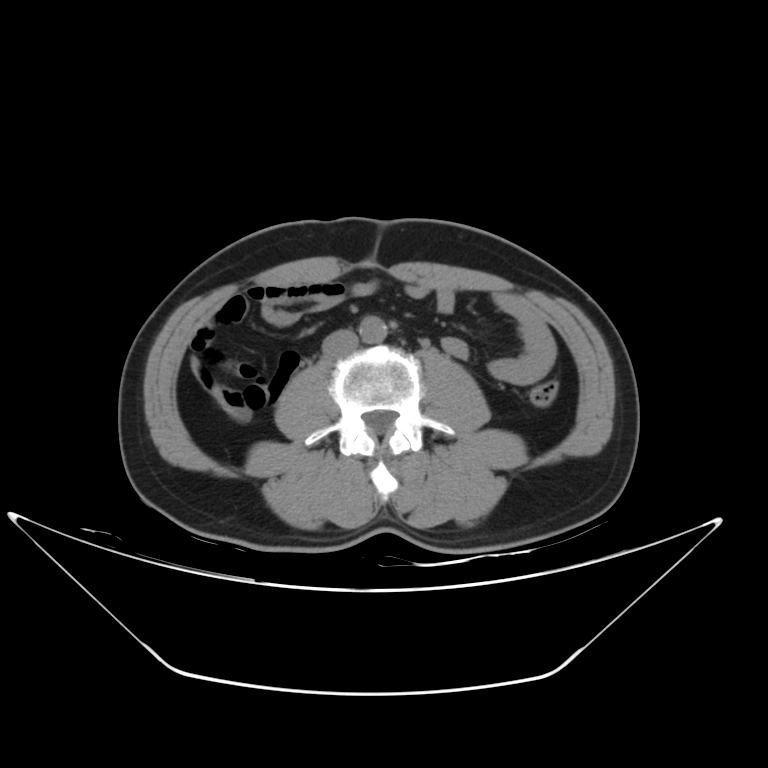 CT abdomen. axial plane, index 59. 768x768 px
Each box given as x1,y1,x2,y2. Labeled organs on this slice: inferior vena cava at x1=323, y1=329, x2=356, y2=356, aorta at x1=359, y1=316, x2=387, y2=343.